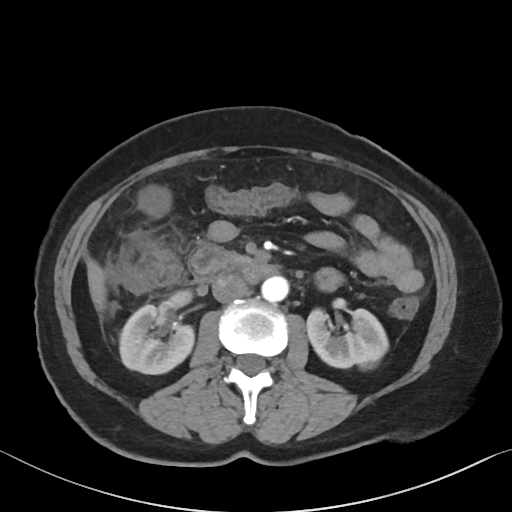
CT, abdomen/pelvis; axial view; abdomen soft-tissue window; acquired on SOMATOM Force
{"organs":{"right kidney":[119,305,194,374],"left kidney":[307,309,388,369],"gall bladder":[142,188,169,214],"liver":[86,257,106,311],"aorta":[261,276,288,302],"inferior vena cava":[212,274,248,303],"duodenum":[190,243,277,283]}}